Computed tomography, abdomen; axial view; 512x512 px
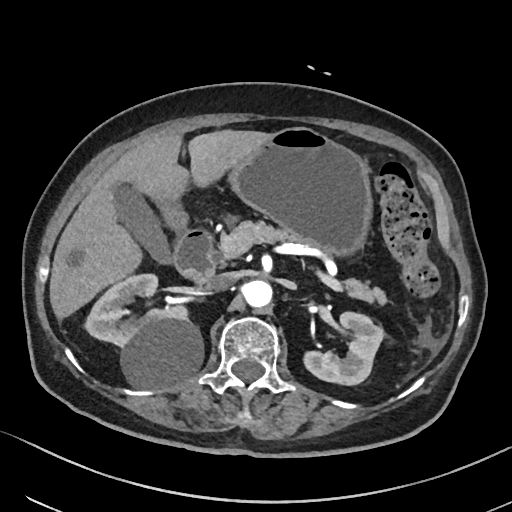 <organs><organ name="inferior vena cava" x1="207" y1="272" x2="236" y2="290"/><organ name="duodenum" x1="172" y1="228" x2="214" y2="283"/><organ name="left kidney" x1="303" y1="311" x2="384" y2="385"/><organ name="right kidney" x1="85" y1="273" x2="203" y2="389"/><organ name="aorta" x1="242" y1="279" x2="272" y2="307"/><organ name="stomach" x1="163" y1="127" x2="371" y2="255"/><organ name="pancreas" x1="229" y1="220" x2="386" y2="305"/><organ name="gall bladder" x1="113" y1="182" x2="169" y2="262"/><organ name="liver" x1="49" y1="130" x2="270" y2="319"/></organs>